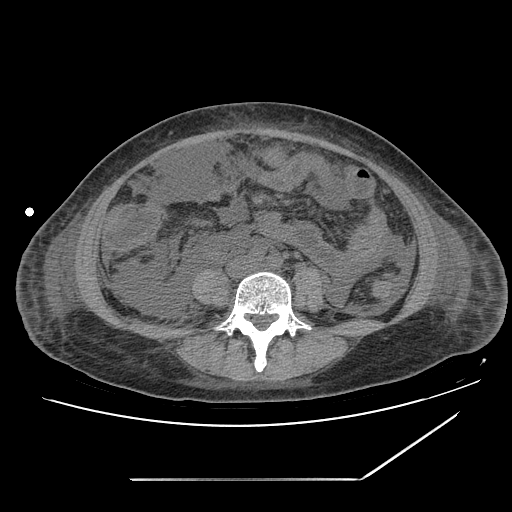 Computed tomography, abdomen. axial view. scan has 15 labeled organs (that count is for the whole scan; organs this slice misses have no box)
{"organs":{"inferior vena cava":[227,257,257,277]}}